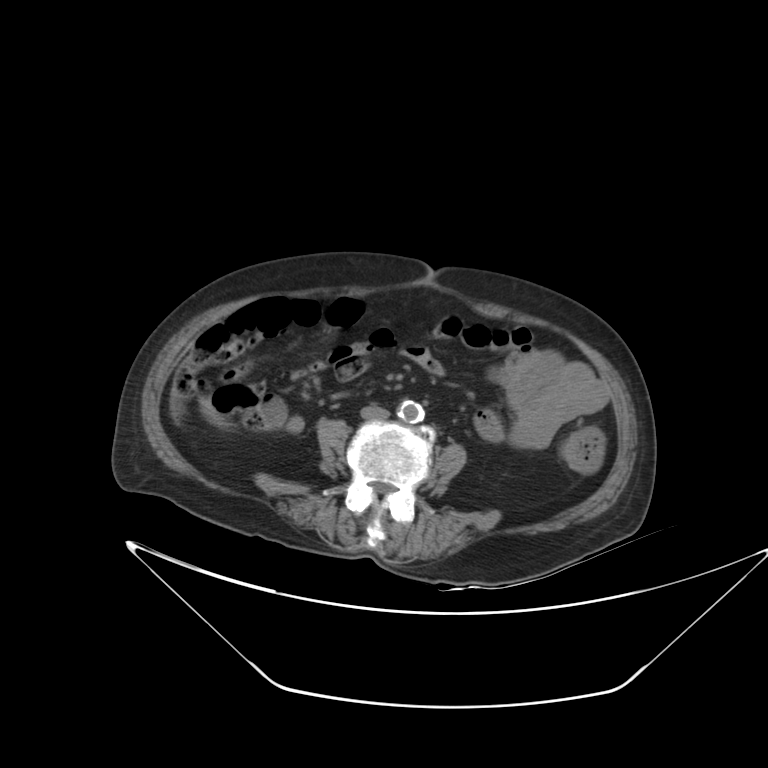

CT abdomen · axial plane, index 51 · Brilliance16 scanner
Boxes: x1:y1:x2:y2 in pixels.
Organ bounding boxes:
- aorta: 397:400:424:423
- inferior vena cava: 361:408:388:418